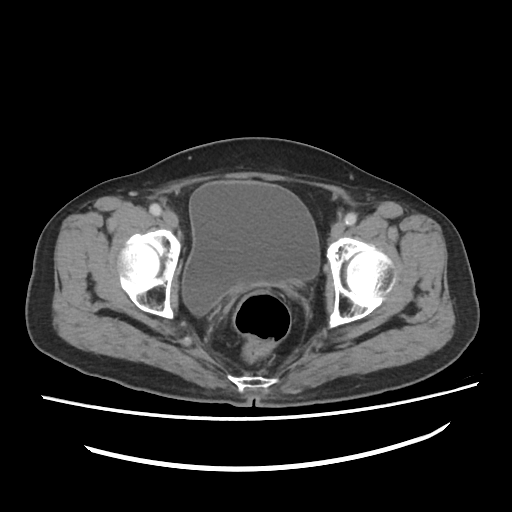 CT, abdomen/pelvis; axial view; W/L 400/40 HU; 512x512 px; 61-year-old female patient
Each box given as x1,y1,x2,y2.
Organ bounding boxes:
- bladder: x1=181, y1=181, x2=320, y2=312